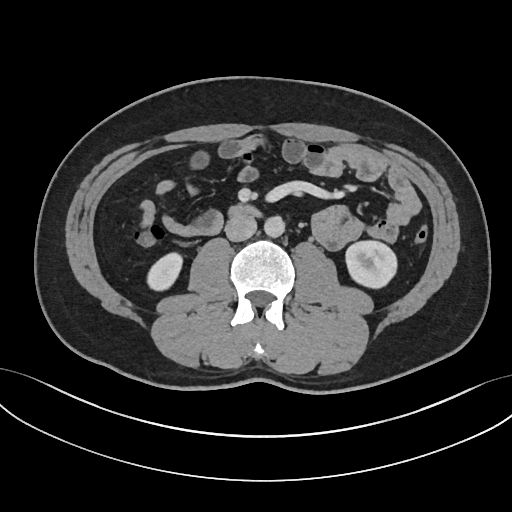
CT, abdomen/pelvis. Axial slice 146/345. soft-tissue window (W 400 / L 40). 512x512 px. scan has 15 labeled organs (counted over the whole 3D scan, not this slice; an organ is boxed only where this slice passes through it)
Organ boxes in pixel coordinates; each row gives the top-left (x1, y1) and bottom-right (x2, y2) corners.
| organ | x1 | y1 | x2 | y2 |
|---|---|---|---|---|
| right kidney | 147 | 252 | 181 | 290 |
| left kidney | 344 | 240 | 398 | 288 |
| aorta | 264 | 216 | 284 | 237 |
| inferior vena cava | 225 | 215 | 256 | 241 |
| duodenum | 226 | 204 | 260 | 218 |